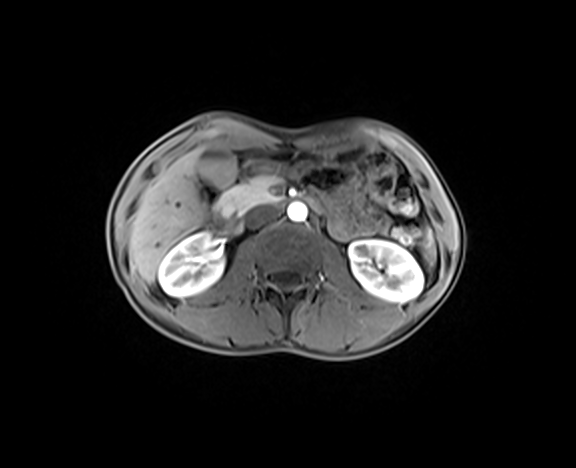

MRI, abdomen — axial view — percentile-normalized
Boxes: x1 y1 x2 y2 (pixel coords, space-separated). 10 labeled organs on this slice — spleen at 424 231 435 261; right kidney at 158 232 224 296; left kidney at 349 239 422 302; gall bladder at 200 149 236 189; liver at 129 149 207 283; stomach at 242 144 364 165; aorta at 287 202 307 221; inferior vena cava at 246 206 278 228; pancreas at 218 175 280 215; duodenum at 211 158 322 232.